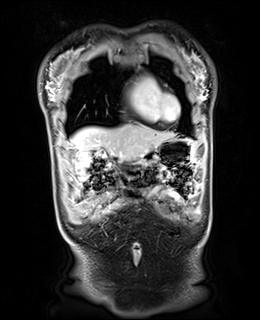

MRI, abdomen — Coronal slice 108/144 — 1st–99th percentile window
Boxes: x1:y1:x2:y2 in pixels.
Organ bounding boxes:
- liver: 72:124:175:156
- stomach: 119:137:198:165